Computed tomography, abdomen; axial view; W/L 400/40 HU; SOMATOM Force scanner
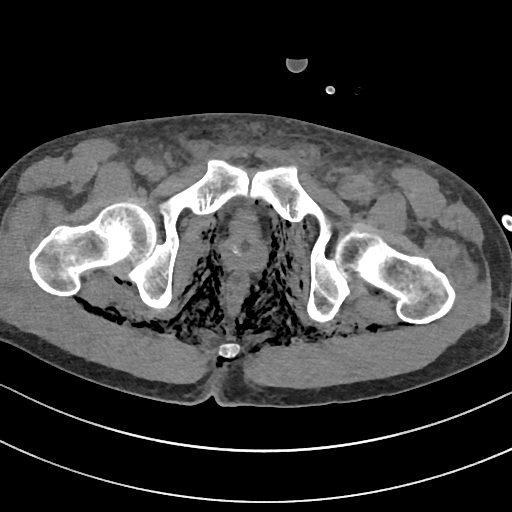
<organs><organ name="bladder" x1="229" y1="207" x2="259" y2="233"/><organ name="prostate/uterus" x1="222" y1="232" x2="266" y2="270"/></organs>